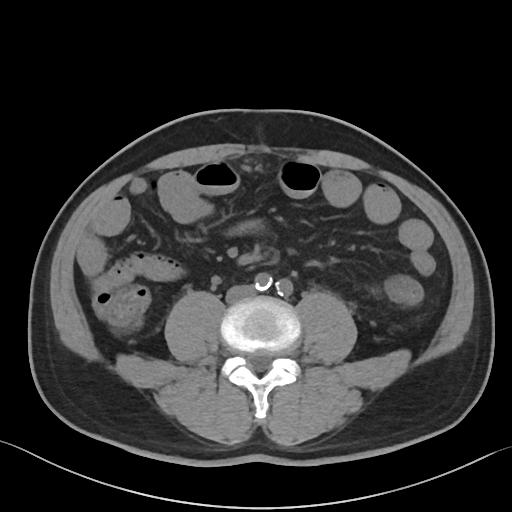 Computed tomography, abdomen; axial view; soft-tissue window (W 400 / L 40); SOMATOM Force scanner
Boxes: x1:y1:x2:y2 in pixels. Labeled organs on this slice: inferior vena cava at 226:285:254:302.